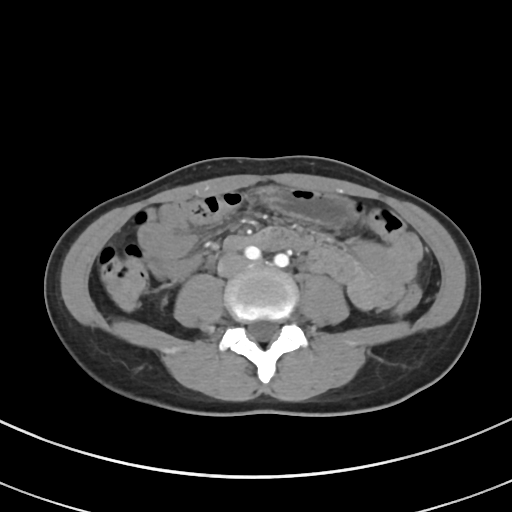 CT abdomen; axial view; scan has 15 labeled organs (that count is for the whole scan; organs this slice misses have no box)
Boxes: x1 y1 x2 y2 (pixel coords, space-separated).
Organ bounding boxes:
- stomach: 258 185 354 223
- inferior vena cava: 217 254 247 276